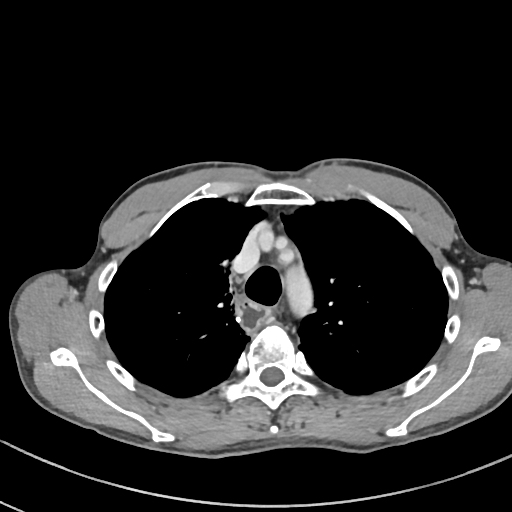
Abdominal CT reaching into the chest; this slice is in the chest · axial plane, index 270 · 512x512 px
At this level of the chest this dataset labels only the esophagus and the aorta, and each is boxed only where it is labeled; the heart and lungs are never labeled. Boxes: x1:y1:x2:y2 in pixels. 2 labeled organs on this slice — aorta at 281:259:318:321; esophagus at 235:296:272:333.